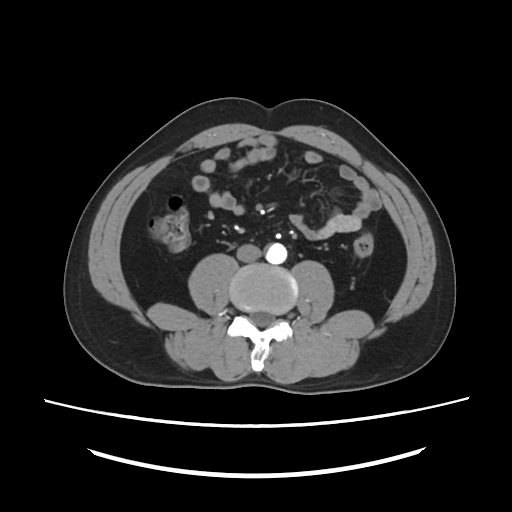
Abdominal CT · axial view · 512x512 px
Bounding boxes as [x1, y1, x2, y2] in pixel coordinates.
aorta: [264, 243, 287, 264]
inferior vena cava: [237, 244, 261, 262]